Abdominal MR · axial view · percentile-normalized · acquired on Prisma · 13 organs annotated in this scan (counted over the whole 3D scan, not this slice; an organ is boxed only where this slice passes through it)
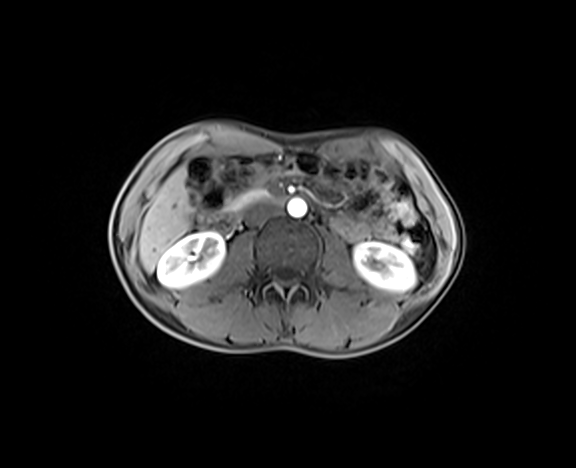

Organ boxes in pixel coordinates; each row gives the top-left (x1, y1) and bottom-right (x2, y2) corners.
| organ | x1 | y1 | x2 | y2 |
|---|---|---|---|---|
| right kidney | 157 | 232 | 224 | 288 |
| left kidney | 354 | 242 | 415 | 290 |
| liver | 139 | 168 | 193 | 272 |
| aorta | 287 | 198 | 306 | 217 |
| inferior vena cava | 245 | 201 | 283 | 224 |
| pancreas | 227 | 188 | 267 | 211 |
| duodenum | 208 | 193 | 289 | 229 |